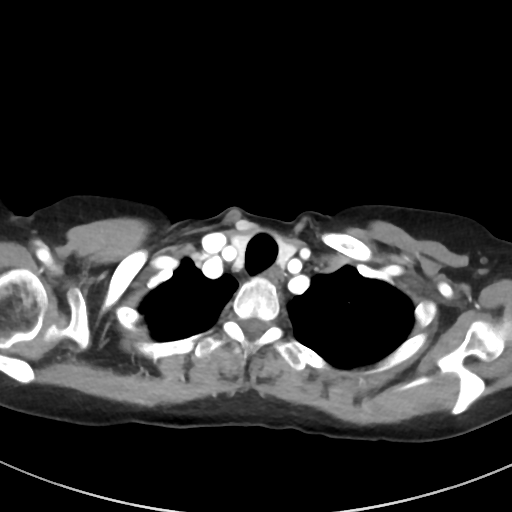

CT of the abdomen extending into the chest, slice through the chest. axial plane, index 114. 512x512 px
On a slice this high in the chest, this dataset labels only the esophagus and the aorta, and each is boxed only where it is labeled; the heart, lungs and other chest structures are not labeled.
Organ boxes in pixel coordinates; each row gives the top-left (x1, y1) and bottom-right (x2, y2) corners.
| organ | x1 | y1 | x2 | y2 |
|---|---|---|---|---|
| esophagus | 267 | 269 | 281 | 285 |